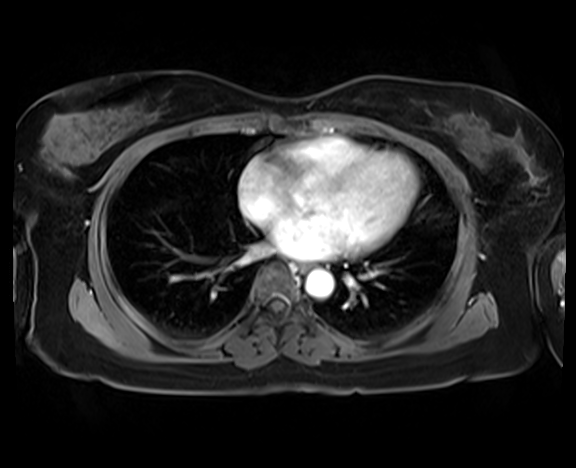 MRI of the abdomen reaching into the lower chest, slice just above the liver and spleen; axial plane, index 69; percentile-normalized; 576x468 px
Of the structures in the chest, this dataset labels only the esophagus, the aorta and the inferior vena cava; the heart and lungs have no label.
{"organs":{"esophagus":[296,263,310,273],"aorta":[305,269,334,298]}}